Computed tomography, abdomen — axial plane, index 65 — abdomen soft-tissue window
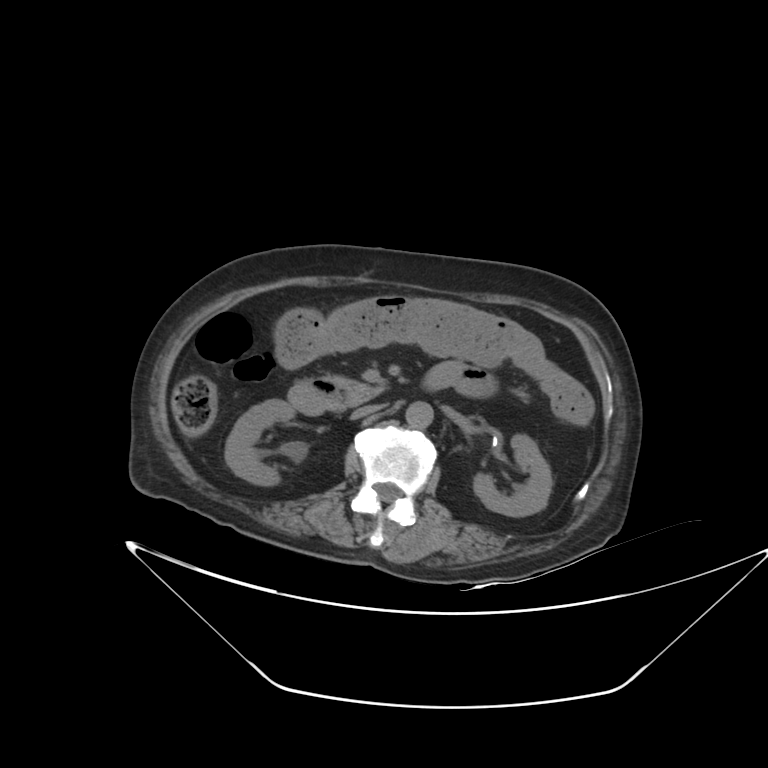
{"organs":{"right kidney":[225,399,295,485],"left kidney":[473,434,552,516],"aorta":[406,401,433,428],"inferior vena cava":[351,403,385,419],"pancreas":[335,378,387,403],"duodenum":[288,378,352,415]}}